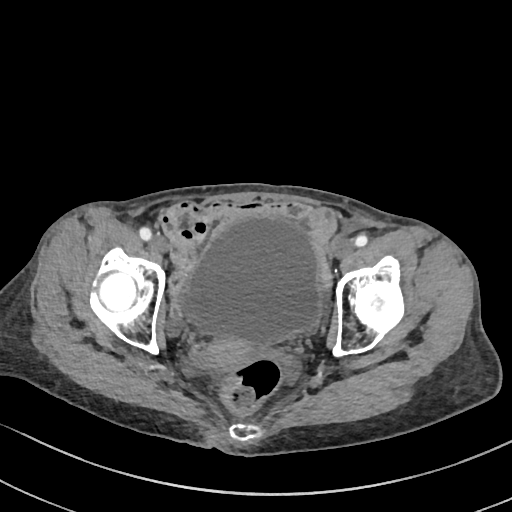 CT abdomen; axial view; W/L 400/40 HU
<organs><organ name="bladder" x1="186" y1="218" x2="319" y2="343"/><organ name="prostate/uterus" x1="202" y1="335" x2="257" y2="369"/></organs>